CT, abdomen/pelvis — axial view
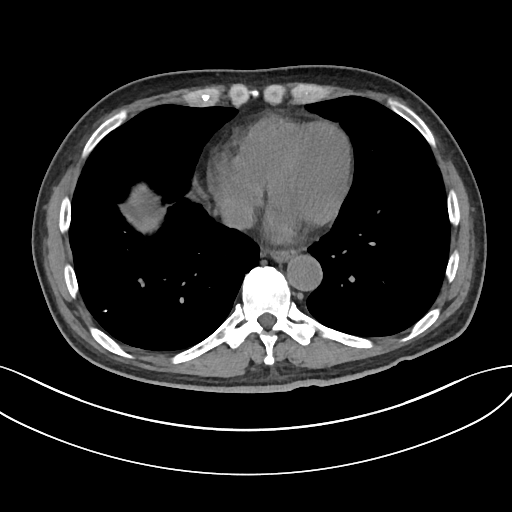 <organs><organ name="esophagus" x1="268" y1="249" x2="295" y2="262"/><organ name="liver" x1="135" y1="214" x2="159" y2="232"/><organ name="aorta" x1="287" y1="255" x2="322" y2="290"/><organ name="inferior vena cava" x1="219" y1="196" x2="254" y2="230"/></organs>